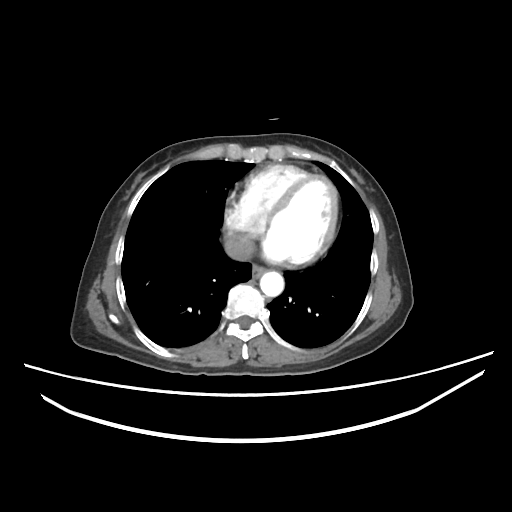 CT of the abdomen reaching into the lower chest, slice just above the liver and spleen. axial view. 512x512 px
The heart and lungs are never labeled in this dataset, so they have no box on this slice.
Boxes: x1 y1 x2 y2 (pixel coords, space-separated).
Organ bounding boxes:
- esophagus: 250 267 265 278
- aorta: 260 270 283 295
- inferior vena cava: 227 236 253 261